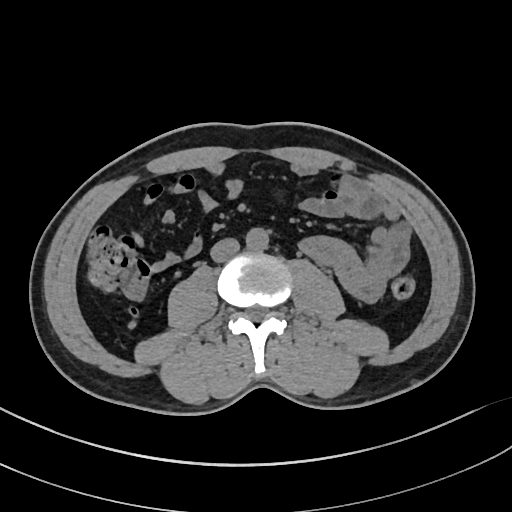

Abdominal CT; axial view; soft-tissue window
Each box given as x1,y1,x2,y2.
aorta: x1=246, y1=227, x2=269, y2=250
inferior vena cava: x1=210, y1=238, x2=239, y2=262